Abdominal CT · Axial slice 77/96
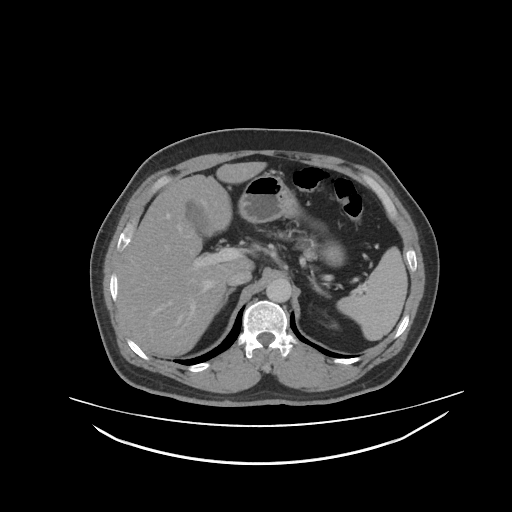

Coordinates as <box>x1,y1,x2,y2</box> in pixels.
Organ bounding boxes:
- spleen: <box>335,246,407,341</box>
- left kidney: <box>331,324,336,328</box>
- gall bladder: <box>186,200,209,234</box>
- liver: <box>118,162,266,356</box>
- stomach: <box>238,171,344,267</box>
- aorta: <box>266,278,291,301</box>
- inferior vena cava: <box>225,269,252,286</box>
- pancreas: <box>299,239,316,261</box>
- right adrenal gland: <box>222,288,236,305</box>
- left adrenal gland: <box>308,276,329,297</box>